Chest-level slice from an abdominal CT that extends up into the chest; axial view; W/L 400/40 HU; 512x512 px
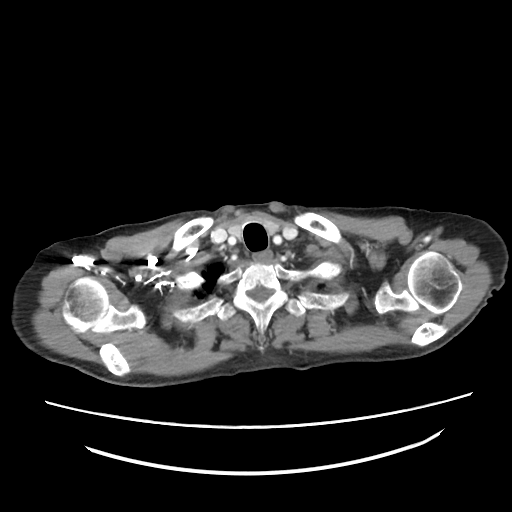 At this level of the chest this dataset labels only the esophagus and the aorta, and each is boxed only where it is labeled; the heart and lungs are never labeled.
Coordinates as <box>x1,y1,x2,y2</box> in pixels.
esophagus: <box>252,250,272,261</box>